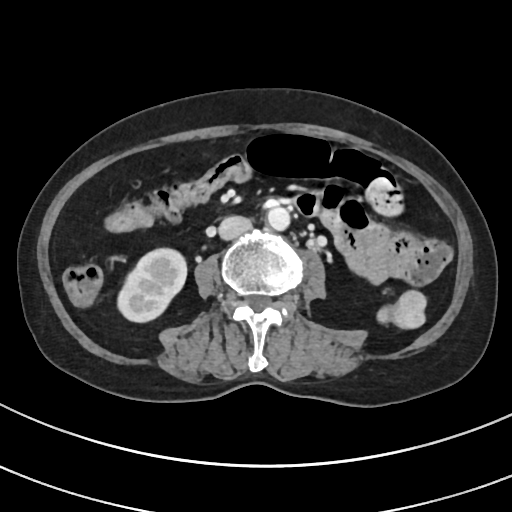 Abdominal CT; axial view; 512x512 px; acquired on SOMATOM Force
One row per box, in pixels: columns x1 and y1 give the top-left corner, x2 and y2 the bottom-right.
| organ | x1 | y1 | x2 | y2 |
|---|---|---|---|---|
| right kidney | 117 | 248 | 186 | 322 |
| aorta | 266 | 206 | 290 | 230 |
| inferior vena cava | 219 | 216 | 251 | 240 |